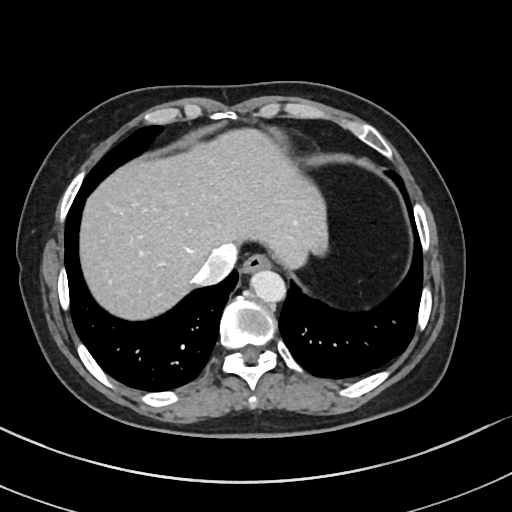

Abdominal CT. axial plane, index 212
Organ boxes in pixel coordinates; each row gives the top-left (x1, y1) and bottom-right (x2, y2) corners.
| organ | x1 | y1 | x2 | y2 |
|---|---|---|---|---|
| esophagus | 241 | 254 | 270 | 275 |
| liver | 79 | 129 | 327 | 320 |
| aorta | 252 | 270 | 287 | 304 |
| inferior vena cava | 192 | 243 | 238 | 285 |